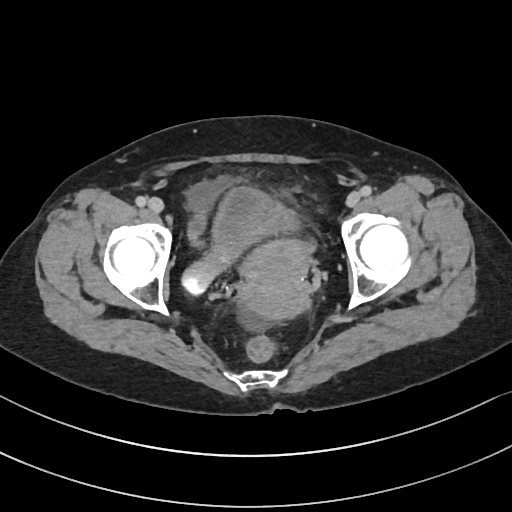 Computed tomography, abdomen · Axial slice 36/212 · soft-tissue window · SOMATOM Force scanner
<organs><organ name="prostate/uterus" x1="240" y1="236" x2="312" y2="317"/><organ name="bladder" x1="182" y1="188" x2="296" y2="293"/></organs>